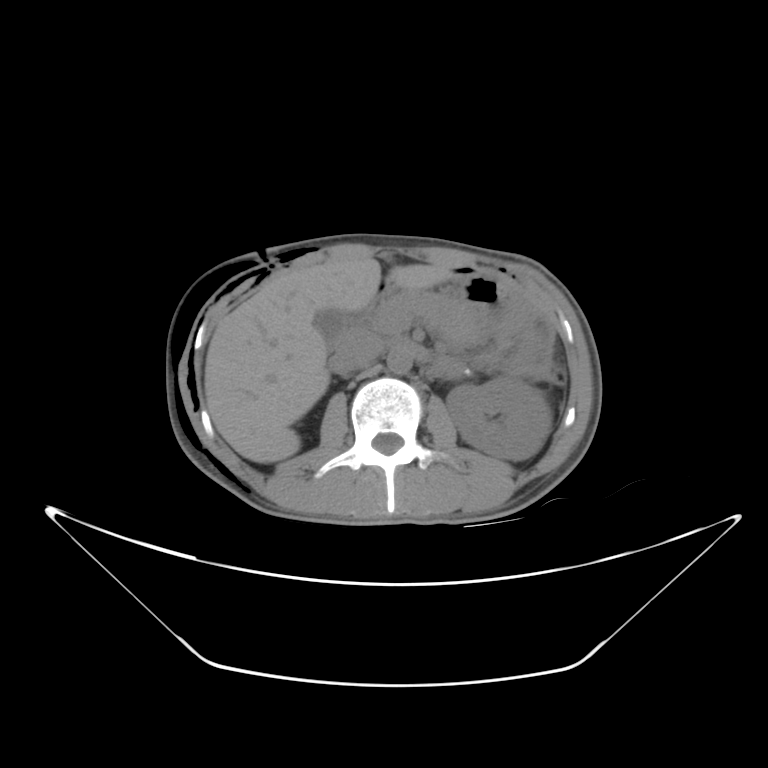 Computed tomography, abdomen — axial view — 768x768 px
Coordinates as <box>x1,y1,x2,y2</box> in pixels. 7 labeled organs on this slice — left kidney at <box>447,377,551,463</box>; gall bladder at <box>315,310,345,347</box>; liver at <box>205,257,454,462</box>; stomach at <box>462,273,509,320</box>; aorta at <box>385,348,412,371</box>; inferior vena cava at <box>337,329,382,364</box>; pancreas at <box>381,290,482,344</box>.